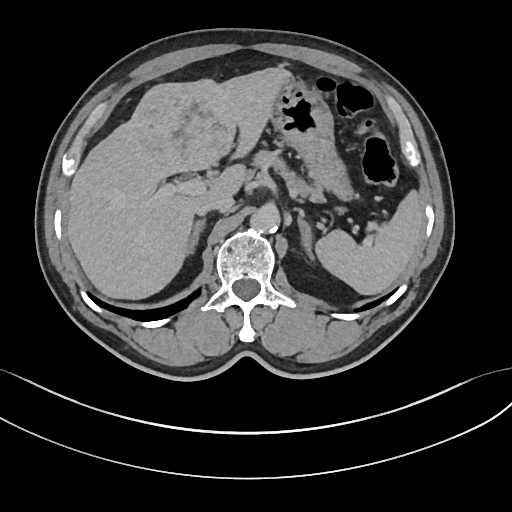 CT abdomen; axial view; 512x512 px; acquired on SOMATOM Force; scan has 15 labeled organs (that count is for the whole scan; organs this slice misses have no box)
{"organs":{"spleen":[317,188,422,295],"liver":[67,66,289,299],"stomach":[270,80,353,201],"aorta":[251,205,280,231],"inferior vena cava":[199,192,234,213],"pancreas":[250,150,325,197],"right adrenal gland":[184,216,205,257],"left adrenal gland":[298,214,313,258]}}